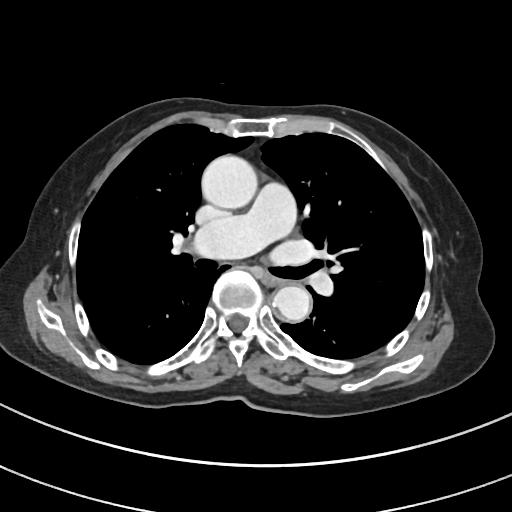
Chest-level CT slice, above the liver and spleen. Axial slice 228/284. W/L 400/40 HU
On a slice this high in the chest, this dataset labels only the esophagus and the aorta, and each is boxed only where it is labeled; the heart, lungs and other chest structures are not labeled.
<organs><organ name="aorta" x1="201" y1="155" x2="257" y2="209"/><organ name="aorta" x1="273" y1="285" x2="311" y2="322"/><organ name="esophagus" x1="264" y1="272" x2="284" y2="285"/></organs>